CT of the abdomen extending into the chest, slice through the chest · axial view · scan has 15 labeled organs (counted over the whole 3D scan, not this slice; an organ is boxed only where this slice passes through it)
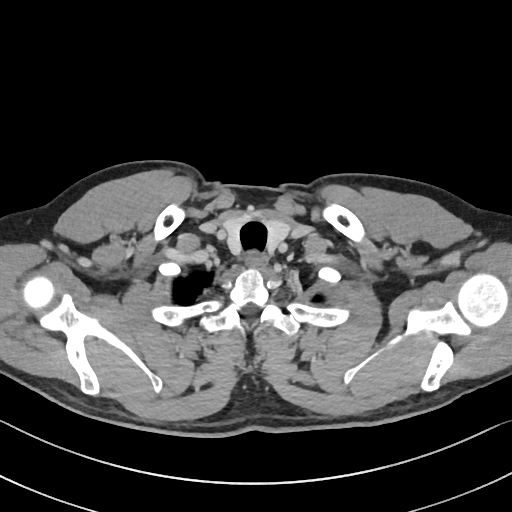

At this level of the chest this dataset labels only the esophagus and the aorta, and each is boxed only where it is labeled; the heart and lungs are never labeled.
Bounding boxes as [x1, y1, x2, y2] in pixel coordinates.
Organ bounding boxes:
- esophagus: [246, 252, 267, 269]